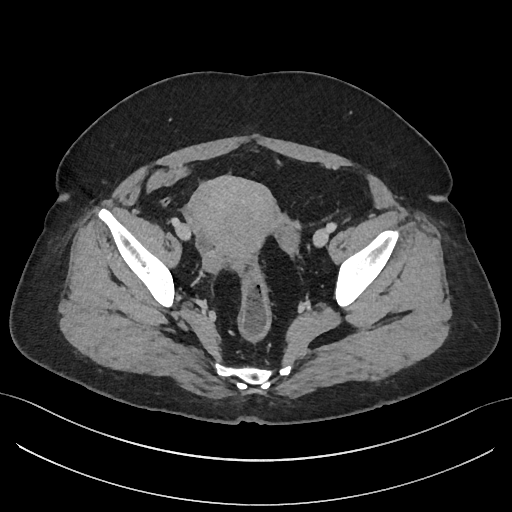 CT, abdomen/pelvis. axial view. W/L 400/40 HU. 512x512 px. scan has 15 labeled organs (that count is for the whole scan; organs this slice misses have no box)
Coordinates as <box>x1,y1,x2,y2</box> in pixels. 1 labeled organ on this slice — prostate/uterus at <box>186,177,275,260</box>.